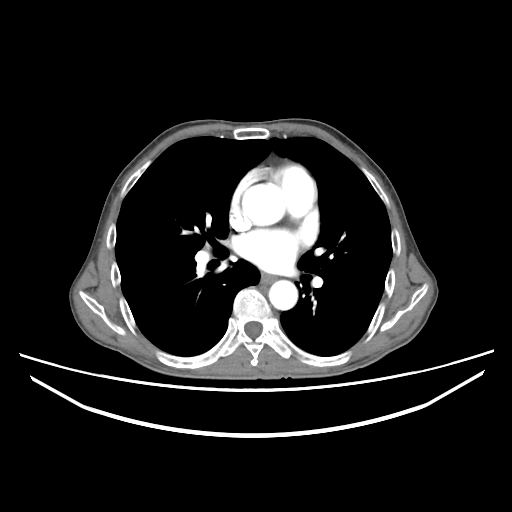 Chest-level CT slice, above the liver and spleen; Axial slice 89/118
At this level of the chest this dataset labels only the esophagus and the aorta, and each is boxed only where it is labeled; the heart and lungs are never labeled.
{"organs":{"esophagus":[261,273,275,283],"aorta":[[242,183,288,225],[268,280,297,310]]}}